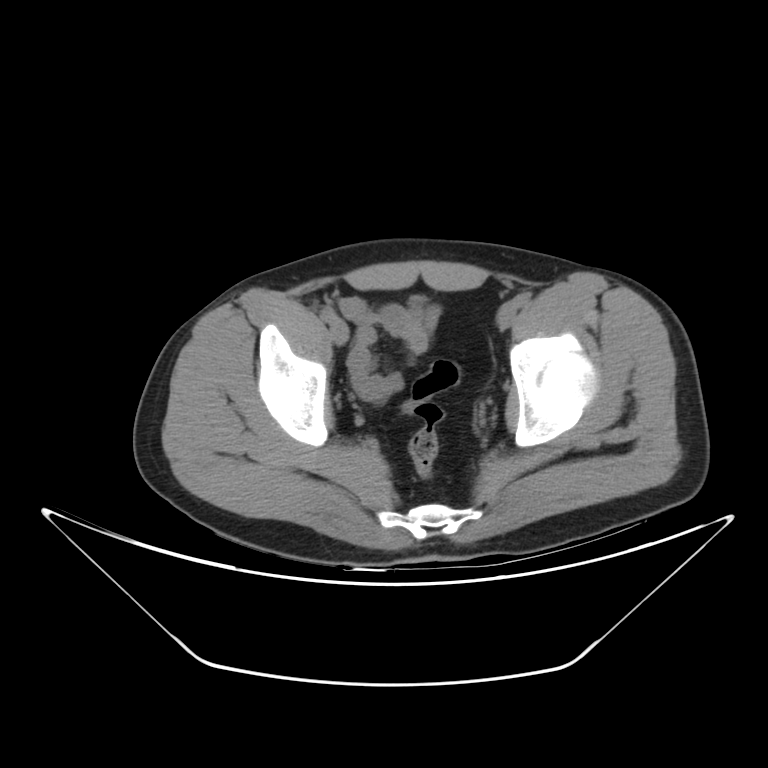 CT, abdomen/pelvis. axial view. 37-year-old male patient
Each box given as x1,y1,x2,y2.
bladder: x1=410, y1=296, x2=423, y2=305